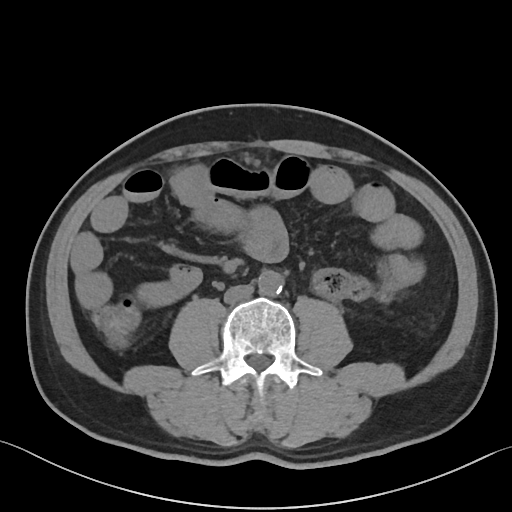 Computed tomography, abdomen. axial view. soft-tissue window (W 400 / L 40). 512x512 px. acquired on SOMATOM Force
<organs><organ name="aorta" x1="258" y1="270" x2="283" y2="295"/><organ name="inferior vena cava" x1="224" y1="285" x2="253" y2="304"/></organs>